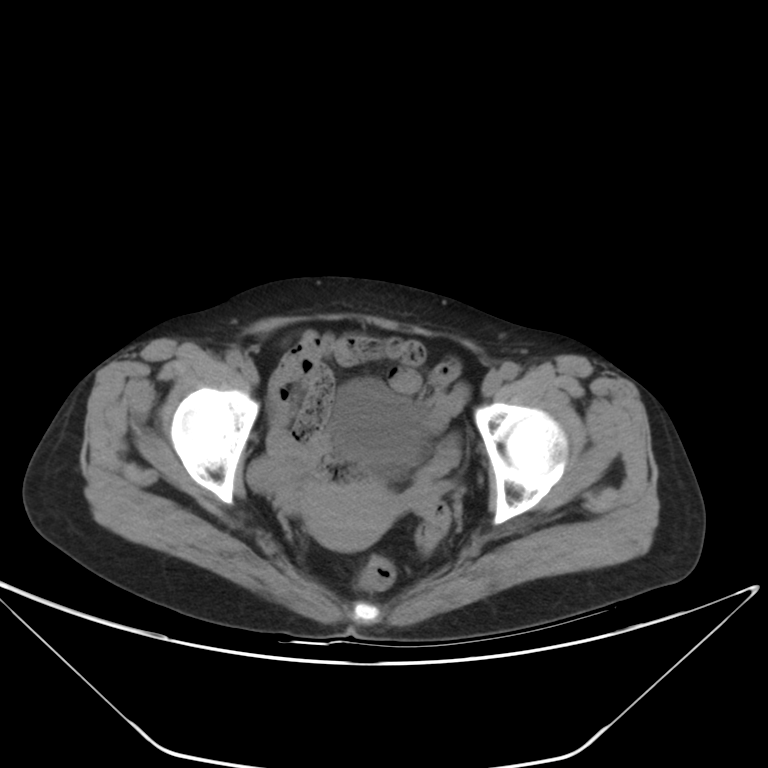

Computed tomography, abdomen — Axial slice 19/85 — abdomen soft-tissue window
{"organs":{"bladder":[334,379,423,476],"prostate/uterus":[306,482,394,551]}}